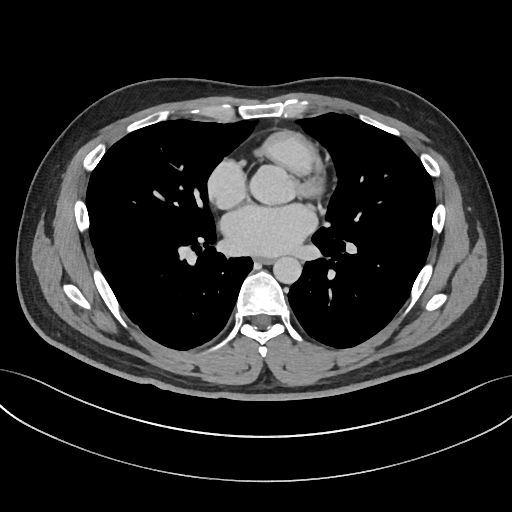
Abdominal CT reaching into the chest; this slice is in the chest. axial view
At this level of the chest this dataset labels only the esophagus and the aorta, and each is boxed only where it is labeled; the heart and lungs are never labeled.
{"organs":{"esophagus":[254,256,272,264],"aorta":[273,256,301,284]}}